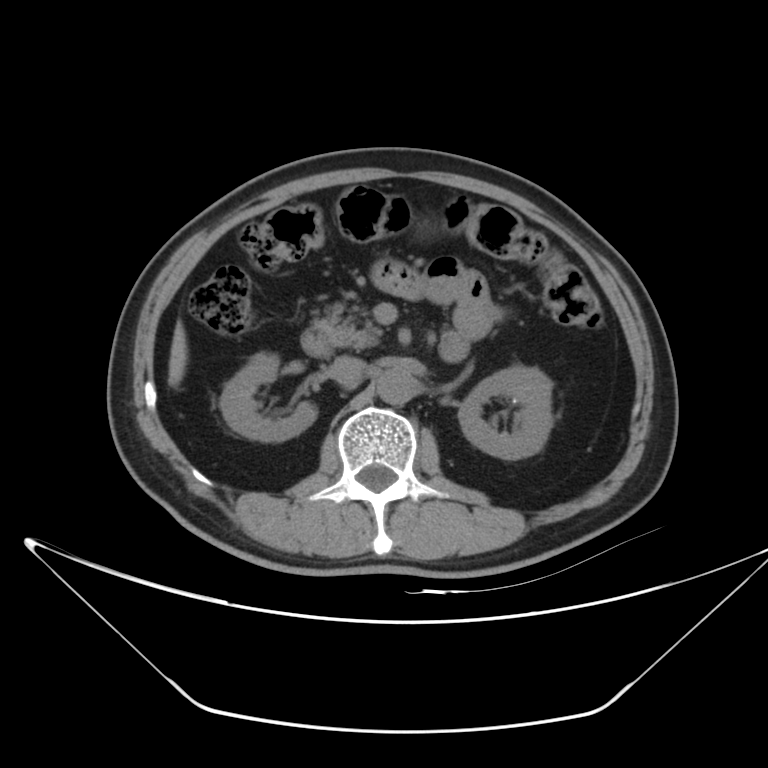

CT, abdomen/pelvis — axial view — abdomen soft-tissue window
{"organs":{"right kidney":[220,353,316,441],"left kidney":[458,366,552,460],"liver":[167,320,187,386],"aorta":[377,368,416,404],"inferior vena cava":[330,356,366,386],"pancreas":[313,303,382,349],"duodenum":[300,324,332,357]}}